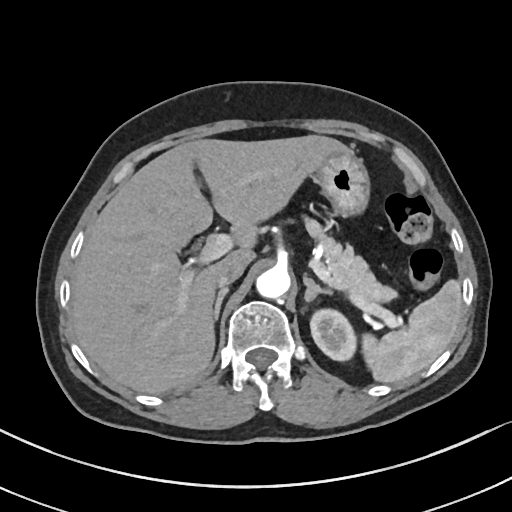
CT abdomen; axial view; SOMATOM Force scanner; scan has 15 labeled organs (a whole-scan count: organs this slice does not pass through have no box)
Boxes: x1:y1:x2:y2 in pixels.
spleen: 362:280:461:383
left kidney: 310:308:355:360
liver: 71:135:347:393
stomach: 314:149:369:217
aorta: 256:266:290:299
inferior vena cava: 216:263:245:287
pancreas: 305:218:393:303
right adrenal gland: 214:287:228:320
left adrenal gland: 303:275:330:301